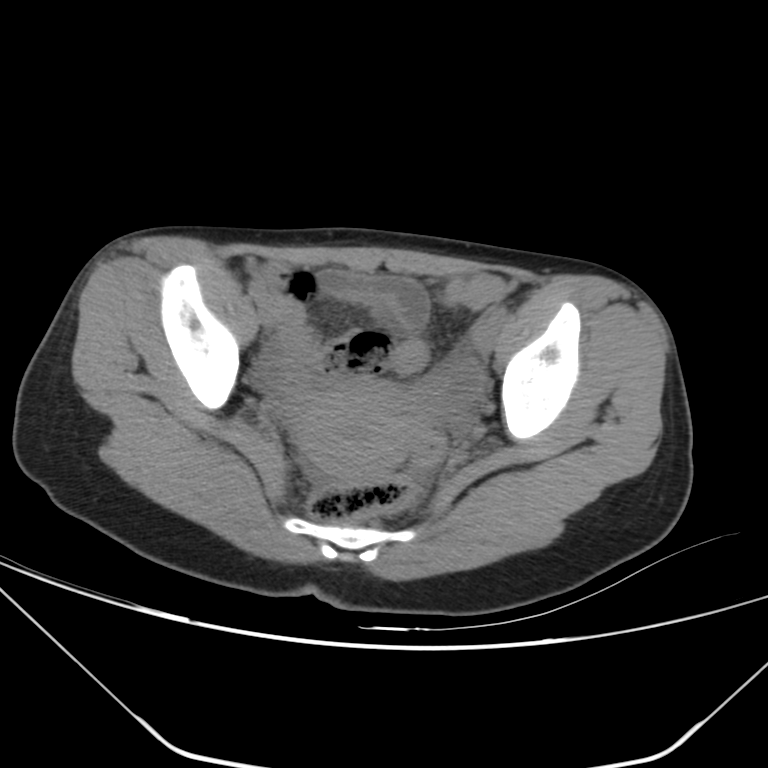 CT abdomen · Axial slice 14/68 · W/L 400/40 HU · 768x768 px
Boxes: x1 y1 x2 y2 (pixel coords, space-separated).
Organ bounding boxes:
- prostate/uterus: 294 376 426 479